Computed tomography, abdomen. axial view. 512x512 px. 14 organs annotated in this scan (that count is for the whole scan; organs this slice misses have no box)
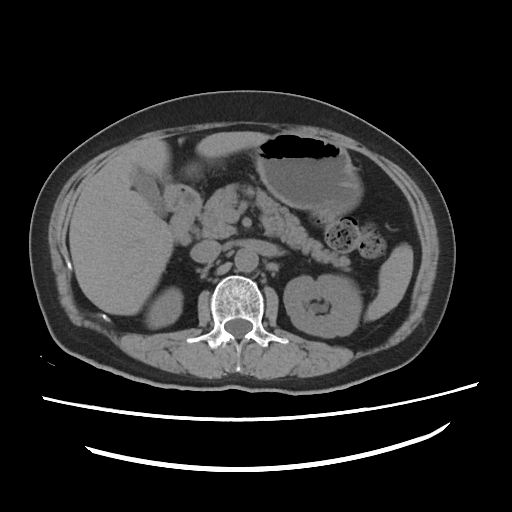 Box edges are left/top/right/bottom in pixels. The annotated organs in this slice are: spleen at left=364, top=243, right=413, bottom=320, right kidney at left=150, top=291, right=182, bottom=328, left kidney at left=284, top=274, right=361, bottom=337, gall bladder at left=133, top=168, right=166, bottom=216, liver at left=69, top=131, right=269, bottom=315, stomach at left=163, top=132, right=362, bottom=216, aorta at left=234, top=248, right=258, bottom=272, inferior vena cava at left=190, top=240, right=221, bottom=263, pancreas at left=200, top=183, right=350, bottom=270, duodenum at left=170, top=187, right=200, bottom=244.